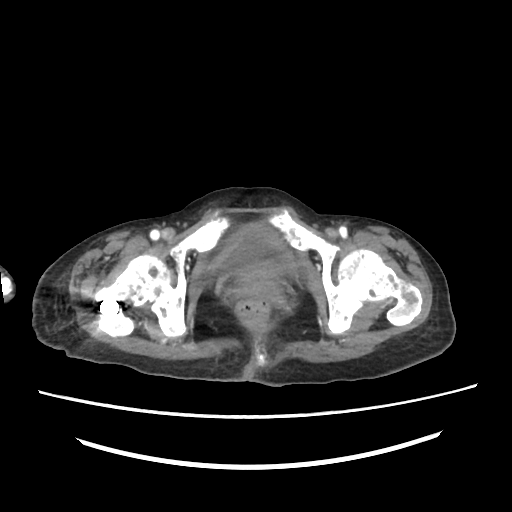
CT abdomen; Axial slice 8/111; soft-tissue window (W 400 / L 40); 512x512 px
Boxes: x1:y1:x2:y2 in pixels.
bladder: 219:224:297:275